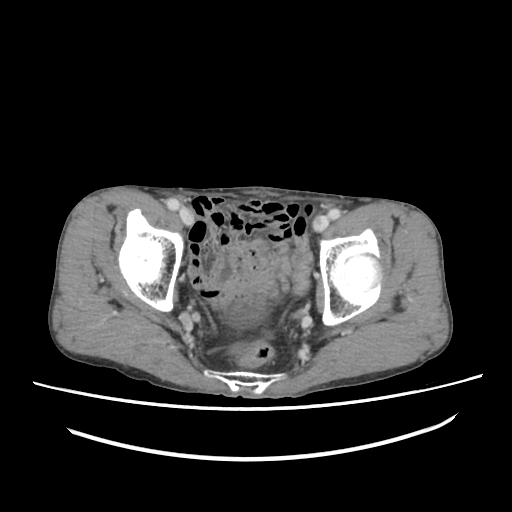 Abdominal CT. axial view. abdomen soft-tissue window. 59-year-old male patient
<organs><organ name="bladder" x1="230" y1="303" x2="263" y2="326"/></organs>